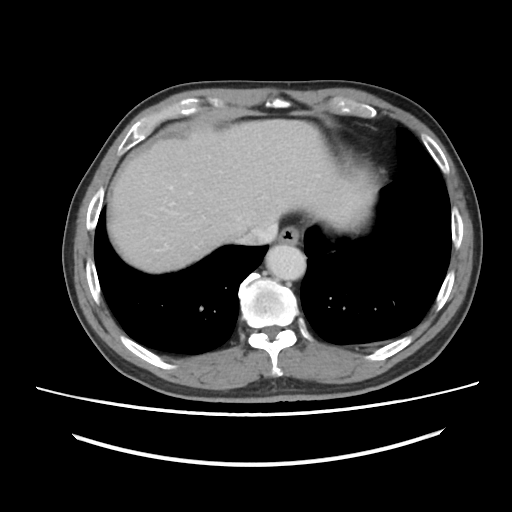

CT, abdomen/pelvis · axial view
Boxes are (x1, y1, x2, y2) in pixels.
Organ bounding boxes:
- esophagus: (279, 226, 300, 244)
- liver: (107, 119, 373, 273)
- aorta: (266, 244, 305, 280)
- inferior vena cava: (234, 225, 277, 245)